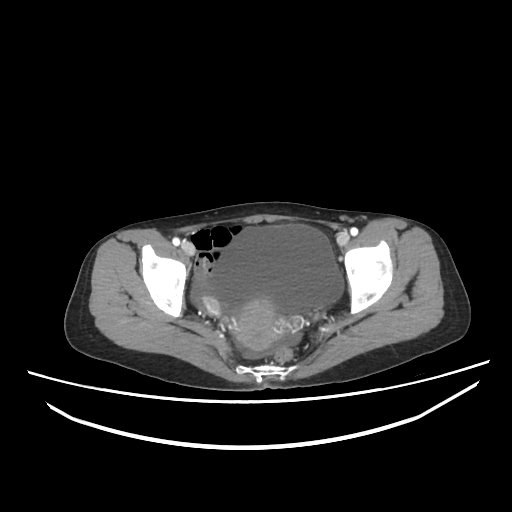
Abdominal CT; axial view; 512x512 px; 43-year-old female patient
{"organs":{"bladder":[210,224,343,313],"prostate/uterus":[235,299,284,350]}}